Abdominal CT reaching into the chest; this slice is in the chest · axial view · soft-tissue window, W/L 400/40 · 512x512 px
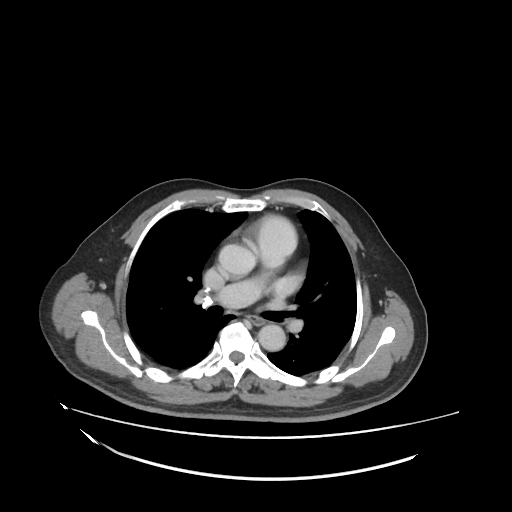
On a slice this high in the chest, this dataset labels only the esophagus and the aorta, and each is boxed only where it is labeled; the heart, lungs and other chest structures are not labeled.
Organ boxes in pixel coordinates; each row gives the top-left (x1, y1) and bottom-right (x2, y2) corners.
| organ | x1 | y1 | x2 | y2 |
|---|---|---|---|---|
| esophagus | 244 | 314 | 267 | 326 |
| aorta | 257 | 322 | 284 | 350 |